CT abdomen. axial view. soft-tissue window. SOMATOM Force scanner
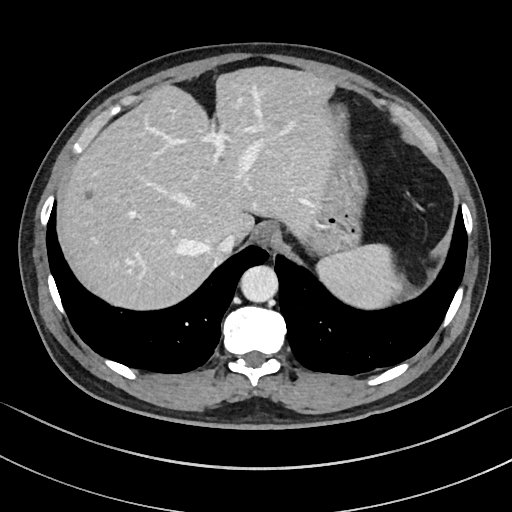
<organs><organ name="spleen" x1="318" y1="243" x2="401" y2="310"/><organ name="esophagus" x1="255" y1="223" x2="281" y2="248"/><organ name="liver" x1="59" y1="67" x2="335" y2="309"/><organ name="stomach" x1="308" y1="106" x2="365" y2="256"/><organ name="aorta" x1="241" y1="265" x2="278" y2="302"/><organ name="inferior vena cava" x1="217" y1="233" x2="236" y2="253"/></organs>